Abdominal CT. Axial slice 59/80. 512x512 px. 62-year-old female patient
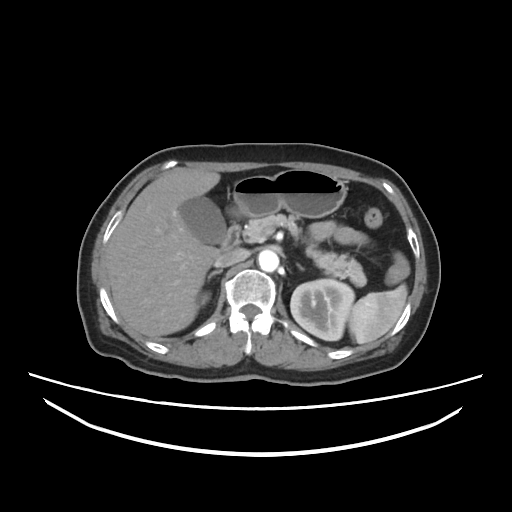 Boxes: x1:y1:x2:y2 in pixels.
spleen: 348:285:408:345
right kidney: 197:292:208:307
left kidney: 290:280:354:340
gall bladder: 180:196:226:244
liver: 109:171:219:337
stomach: 228:170:347:219
aorta: 258:248:278:272
inferior vena cava: 213:249:246:267
pancreas: 244:213:367:287
right adrenal gland: 208:269:222:281
left adrenal gland: 297:262:305:270
duodenum: 222:225:241:253